CT abdomen — axial view — 15 organs annotated in this scan (counted over the whole 3D scan, not this slice; an organ is boxed only where this slice passes through it)
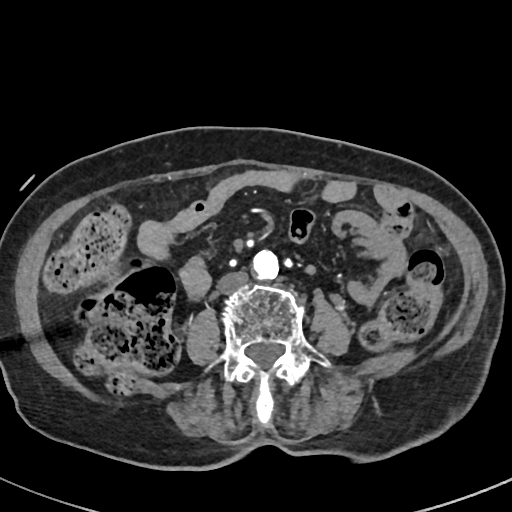

Each box given as x1,y1,x2,y2.
Organ bounding boxes:
- aorta: x1=252, y1=249, x2=278, y2=279
- inferior vena cava: x1=217, y1=271, x2=249, y2=294